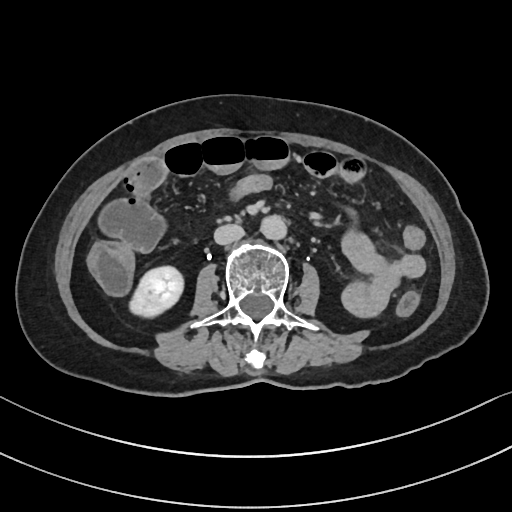 Abdominal CT — axial view
Bounding boxes as [x1, y1, x2, y2] in pixel coordinates.
right kidney: [130, 268, 183, 316]
aorta: [259, 215, 285, 239]
inferior vena cava: [214, 224, 244, 244]